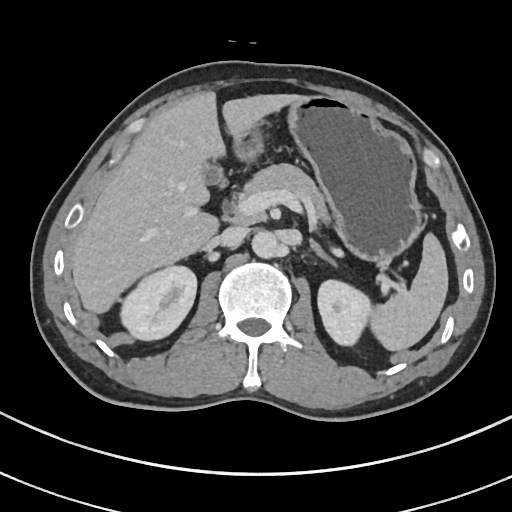 CT, abdomen/pelvis; axial view; soft-tissue window (W 400 / L 40); acquired on SOMATOM Force
Boxes: x1:y1:x2:y2 in pixels.
Organ bounding boxes:
- spleen: 370:233:448:351
- right kidney: 120:266:196:340
- left kidney: 318:280:372:345
- gall bladder: 204:164:221:183
- liver: 72:91:300:313
- stomach: 233:95:422:263
- aorta: 252:231:281:258
- inferior vena cava: 217:226:248:247
- pancreas: 232:163:328:222
- left adrenal gland: 310:241:336:266